Abdominal CT — axial plane, index 219 — abdomen soft-tissue window
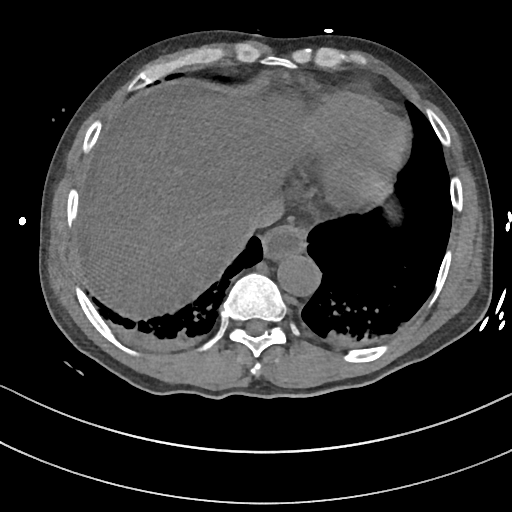 <organs><organ name="esophagus" x1="262" y1="224" x2="306" y2="258"/><organ name="liver" x1="91" y1="92" x2="309" y2="319"/><organ name="aorta" x1="276" y1="251" x2="320" y2="295"/><organ name="inferior vena cava" x1="233" y1="198" x2="282" y2="240"/></organs>